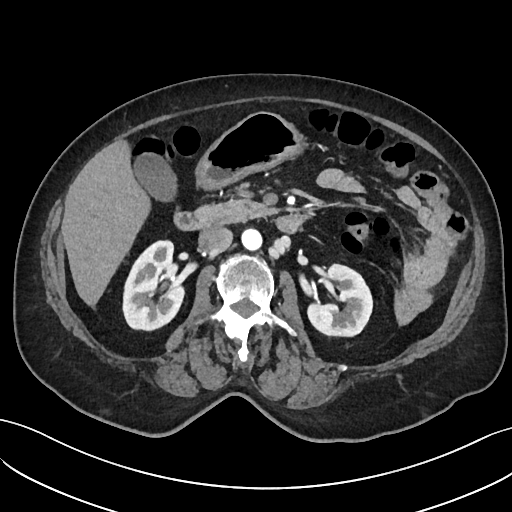

Abdominal CT. Axial slice 123/276. abdomen soft-tissue window. 512x512 px
Boxes: x1 y1 x2 y2 (pixel coords, space-separated). The annotated organs in this slice are: right kidney at 122 239 182 329, left kidney at 307 262 372 335, gall bladder at 135 153 174 199, liver at 61 141 147 305, stomach at 196 112 303 187, aorta at 240 227 261 249, inferior vena cava at 198 226 232 254, pancreas at 195 198 275 225, duodenum at 175 211 303 232.